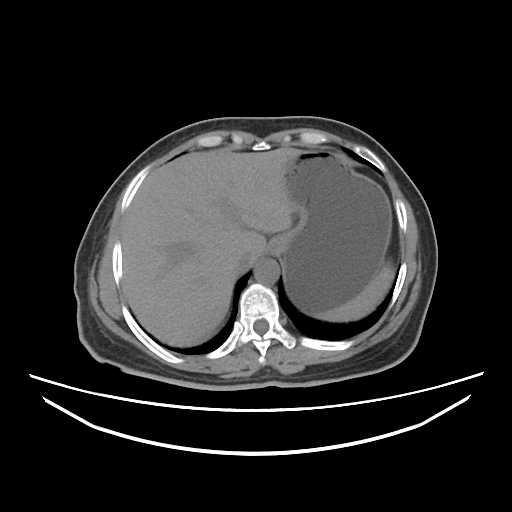 Abdominal CT. axial view. soft-tissue window (W 400 / L 40). 512x512 px. scan has 15 labeled organs (that count is for the whole scan; organs this slice misses have no box)
Boxes: x1 y1 x2 y2 (pixel coords, space-separated).
Organ bounding boxes:
- inferior vena cava: 239 252 262 268
- esophagus: 269 236 282 251
- aorta: 254 258 279 284
- liver: 121 147 299 346
- stomach: 269 149 391 314
- spleen: 316 263 394 321